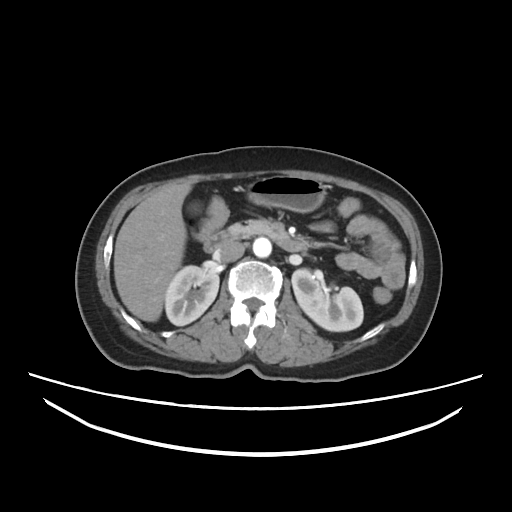

Computed tomography, abdomen; axial view; 62-year-old female patient; scan has 15 labeled organs (counted over the whole 3D scan, not this slice; an organ is boxed only where this slice passes through it)
<organs><organ name="right kidney" x1="164" y1="264" x2="219" y2="326"/><organ name="left kidney" x1="291" y1="269" x2="364" y2="331"/><organ name="gall bladder" x1="191" y1="201" x2="201" y2="214"/><organ name="liver" x1="113" y1="184" x2="191" y2="321"/><organ name="stomach" x1="244" y1="173" x2="327" y2="212"/><organ name="aorta" x1="253" y1="237" x2="271" y2="258"/><organ name="inferior vena cava" x1="217" y1="242" x2="245" y2="264"/><organ name="pancreas" x1="229" y1="220" x2="281" y2="239"/><organ name="duodenum" x1="204" y1="230" x2="307" y2="253"/></organs>